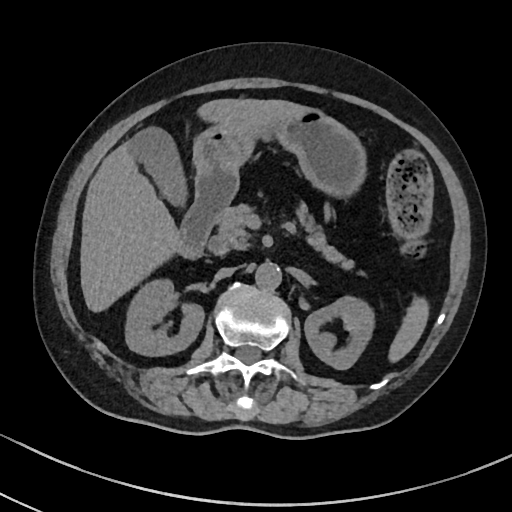

Abdominal CT · axial view · 512x512 px
<organs><organ name="spleen" x1="390" y1="301" x2="426" y2="358"/><organ name="right kidney" x1="125" y1="279" x2="202" y2="354"/><organ name="left kidney" x1="304" y1="296" x2="372" y2="369"/><organ name="gall bladder" x1="127" y1="127" x2="183" y2="200"/><organ name="liver" x1="79" y1="98" x2="301" y2="311"/><organ name="stomach" x1="192" y1="106" x2="365" y2="196"/><organ name="aorta" x1="255" y1="262" x2="282" y2="289"/><organ name="inferior vena cava" x1="216" y1="267" x2="235" y2="278"/><organ name="pancreas" x1="209" y1="205" x2="353" y2="266"/><organ name="duodenum" x1="174" y1="174" x2="240" y2="260"/></organs>